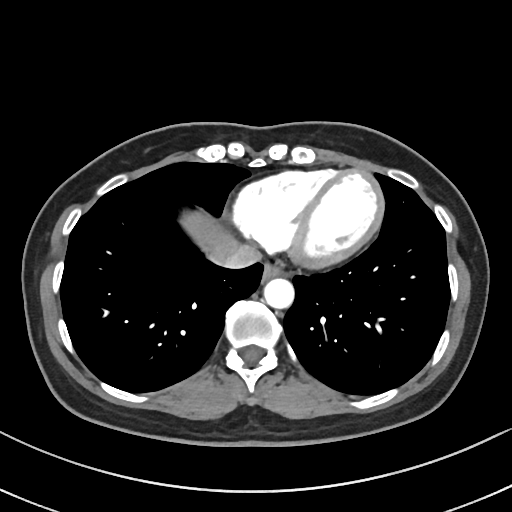

CT, abdomen/pelvis. axial plane, index 218. abdomen soft-tissue window. 512x512 px
Boxes: x1:y1:x2:y2 in pixels.
esophagus: 262:263:284:279
liver: 181:212:235:255
aorta: 264:278:294:308
inferior vena cava: 210:242:260:269